CT abdomen; Axial slice 77/94; W/L 400/40 HU; 59-year-old male patient
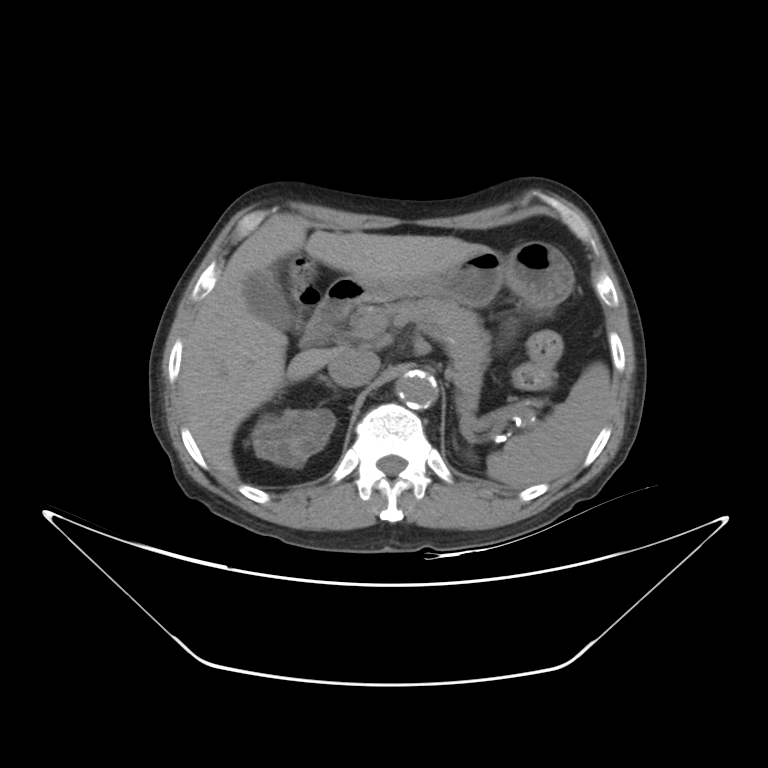
Bounding boxes as [x1, y1, x2, y2] in pixel coordinates. Labeled organs on this slice: spleen at [486, 363, 610, 487], right kidney at [250, 408, 335, 466], gall bladder at [243, 271, 294, 330], liver at [179, 222, 488, 479], stomach at [355, 241, 574, 307], aorta at [396, 370, 436, 408], inferior vena cava at [328, 349, 380, 386], pancreas at [359, 297, 489, 416], right adrenal gland at [319, 377, 336, 389], duodenum at [301, 278, 362, 346].